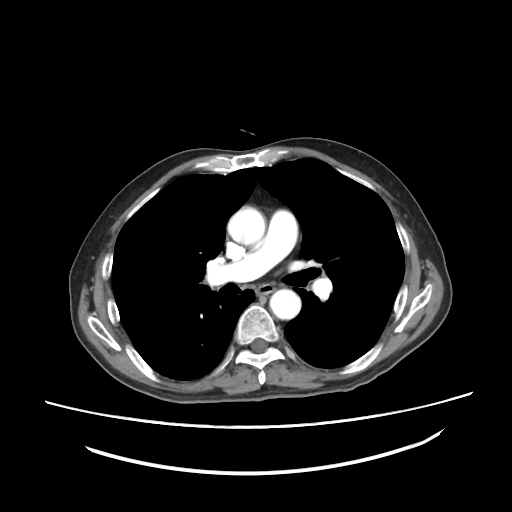

Abdominal CT reaching into the chest; this slice is in the chest · axial view · soft-tissue window · 512x512 px
At this level of the chest no structure but the esophagus and the aorta has a label in this dataset, and those two are boxed only where they are labeled. Coordinates as <box>x1,y1,x2,y2</box> in pixels. 2 labeled organs on this slice — aorta at <box>227,206,265,245</box>; aorta at <box>269,289,301,319</box>; esophagus at <box>256,284,274,293</box>.